CT abdomen; axial view; soft-tissue window (W 400 / L 40); scan has 15 labeled organs (that count is for the whole scan; organs this slice misses have no box)
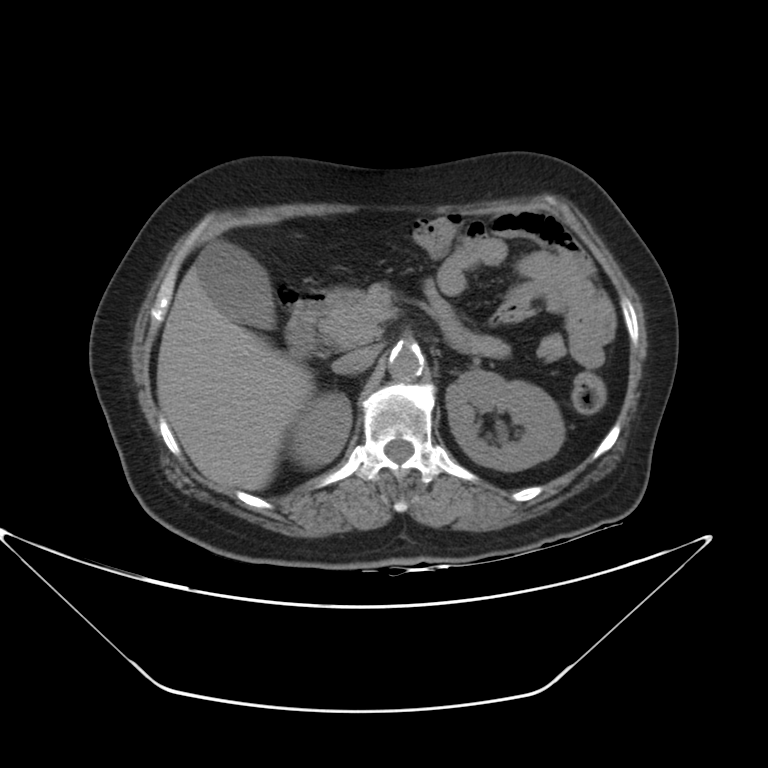
Coordinates as <box>x1,y1,x2,y2</box> in pixels.
stomach: <box>330,288,347,299</box>
right kidney: <box>292,391,351,467</box>
left kidney: <box>446,369,565,471</box>
pancreas: <box>319,283,395,332</box>
aorta: <box>388,345,423,380</box>
gall bladder: <box>198,241,274,326</box>
duodenum: <box>286,290,334,356</box>
liver: <box>156,261,313,489</box>
inferior vena cava: <box>333,348,378,372</box>